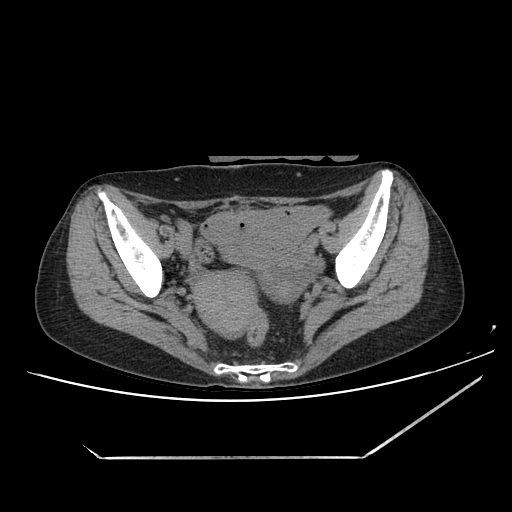
Computed tomography, abdomen · axial view · soft-tissue window (W 400 / L 40)
Coordinates as <box>x1,y1,x2,y2</box> in pixels. Labeled organs on this slice: prostate/uterus at <box>192,270,258,335</box>.